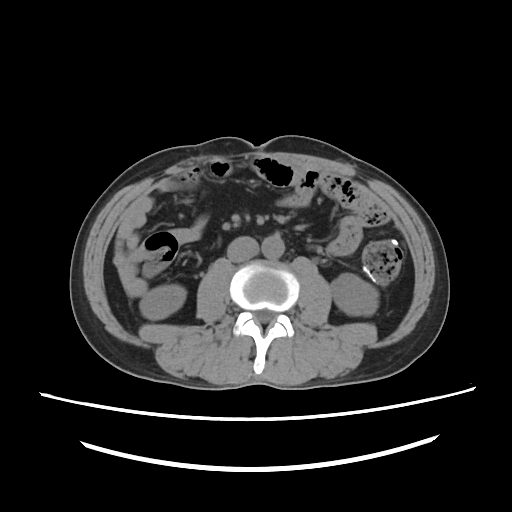

Computed tomography, abdomen. Axial slice 52/87
Box edges are left/top/right/bottom in pixels. The annotated organs in this slice are: right kidney at left=139, top=284, right=184, bottom=321, left kidney at left=331, top=273, right=379, bottom=315, aorta at left=262, top=234, right=284, bottom=260, inferior vena cava at left=228, top=236, right=259, bottom=262.